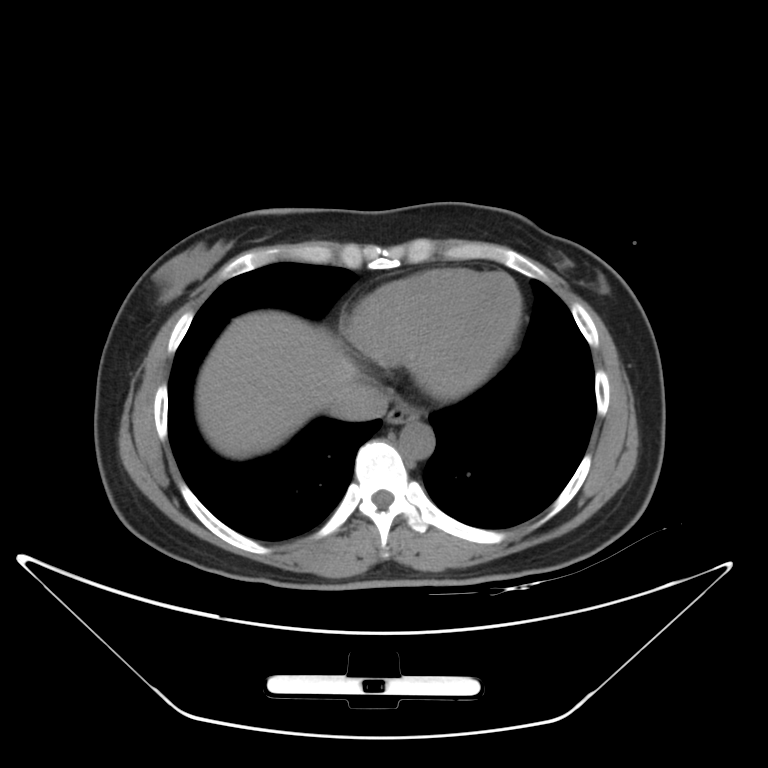
Computed tomography, abdomen; axial view; soft-tissue window (W 400 / L 40); 39-year-old female patient; Brilliance16 scanner
One row per box, in pixels: columns x1 and y1 give the top-left corner, x2 and y2 the bottom-right.
| organ | x1 | y1 | x2 | y2 |
|---|---|---|---|---|
| esophagus | 387 | 401 | 421 | 423 |
| liver | 196 | 310 | 357 | 458 |
| aorta | 399 | 422 | 434 | 458 |
| inferior vena cava | 330 | 381 | 388 | 421 |